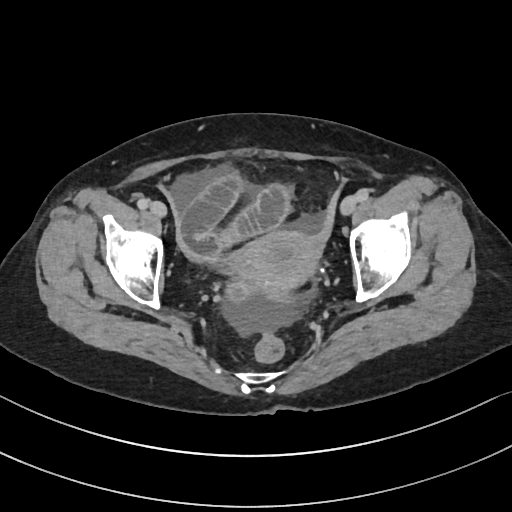
Computed tomography, abdomen — Axial slice 40/212 — soft-tissue window — acquired on SOMATOM Force
Bounding boxes as [x1, y1, x2, y2] in pixel coordinates. 1 labeled organ on this slice — prostate/uterus at [240, 232, 317, 305].